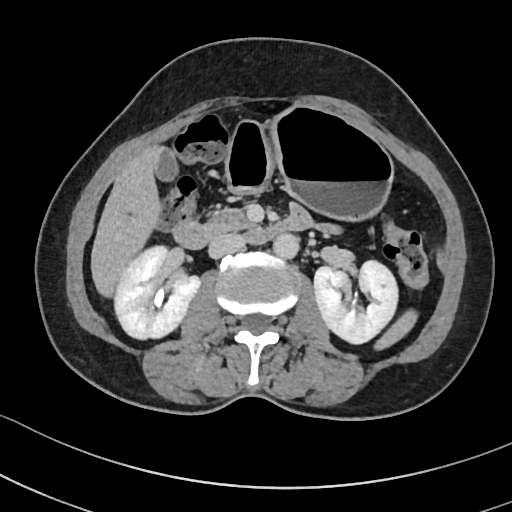

CT abdomen — axial plane, index 119 — 512x512 px
Coordinates as <box>x1,y1,x2,y2</box> in pixels. The annotated organs in this slice are: duodenum at <box>175,214,311,249</box>, aorta at <box>272,232,298,257</box>, inferior vena cava at <box>208,233,246,258</box>, right kidney at <box>116,246,199,338</box>, gall bladder at <box>154,147,177,179</box>, pancreas at <box>209,210,248,231</box>, liver at <box>91,143,159,297</box>, left kidney at <box>314,259,399,344</box>, spleen at <box>380,316,413,345</box>, stomach at <box>224,106,391,217</box>.